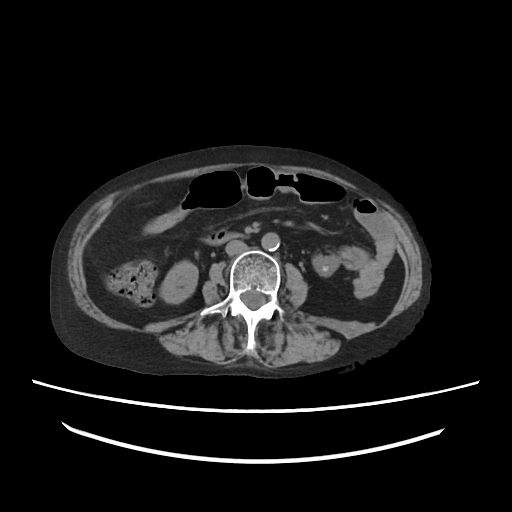

Computed tomography, abdomen · axial view · acquired on Aquilion ONE · 15 organs annotated in this scan (that count is for the whole scan; organs this slice misses have no box)
Bounding boxes in pixels, one row per box: x1, y1 is the top-left corner and x2, y2 the bottom-right.
| organ | x1 | y1 | x2 | y2 |
|---|---|---|---|---|
| right kidney | 159 | 261 | 198 | 303 |
| aorta | 261 | 232 | 279 | 250 |
| inferior vena cava | 225 | 240 | 247 | 255 |
| duodenum | 203 | 230 | 243 | 245 |